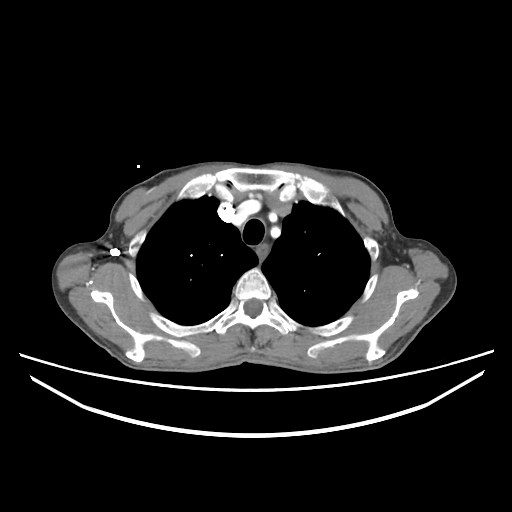

CT of the abdomen extending into the chest, slice through the chest — Axial slice 108/118 — Aquilion ONE scanner
On a slice this high in the chest, this dataset labels only the esophagus and the aorta, and each is boxed only where it is labeled; the heart, lungs and other chest structures are not labeled.
Box edges are left/top/right/bottom in pixels.
esophagus: left=255, top=245, right=268, bottom=257